Computed tomography, abdomen. axial view. 37-year-old male patient. scan has 15 labeled organs (counted over the whole 3D scan, not this slice; an organ is boxed only where this slice passes through it)
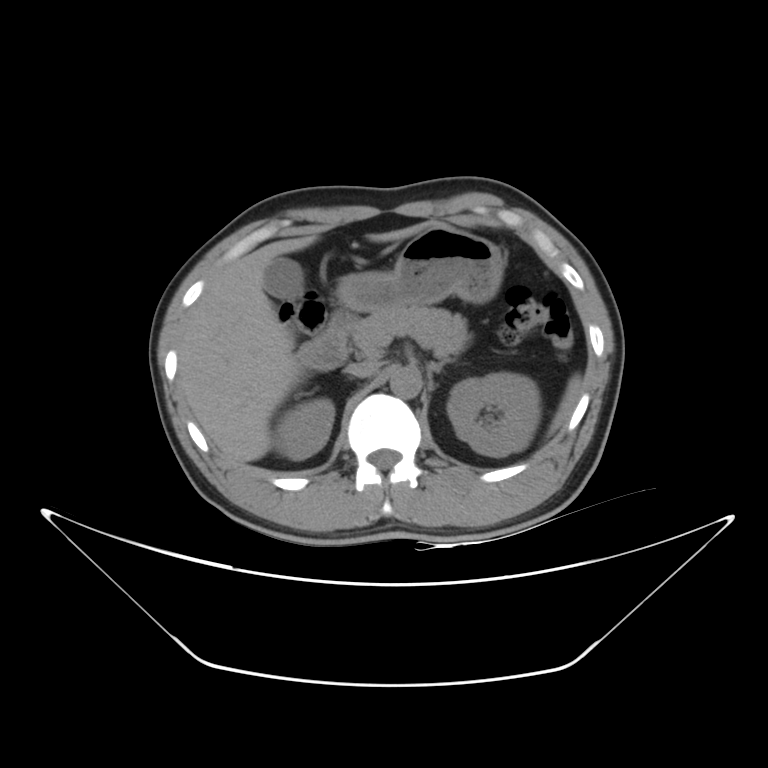 <organs><organ name="right kidney" x1="274" y1="398" x2="334" y2="459"/><organ name="left kidney" x1="447" y1="373" x2="541" y2="456"/><organ name="liver" x1="178" y1="220" x2="450" y2="462"/><organ name="left adrenal gland" x1="428" y1="361" x2="443" y2="375"/><organ name="inferior vena cava" x1="344" y1="360" x2="380" y2="377"/><organ name="pancreas" x1="350" y1="307" x2="469" y2="360"/><organ name="duodenum" x1="298" y1="309" x2="354" y2="371"/><organ name="gall bladder" x1="264" y1="257" x2="303" y2="299"/><organ name="spleen" x1="550" y1="374" x2="582" y2="430"/><organ name="aorta" x1="390" y1="368" x2="420" y2="398"/><organ name="stomach" x1="335" y1="227" x2="503" y2="312"/></organs>